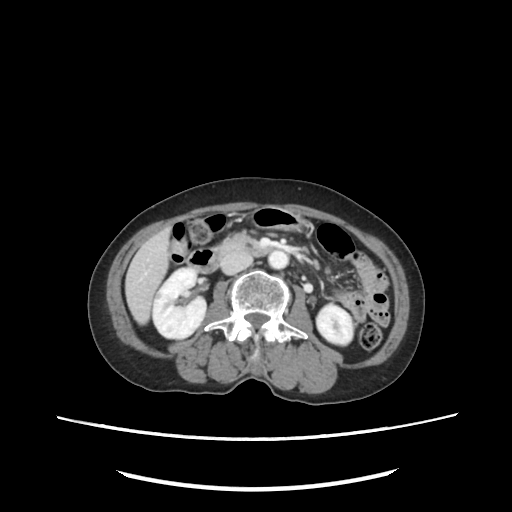
CT abdomen — axial view — abdomen soft-tissue window — scan has 15 labeled organs (that count is for the whole scan; organs this slice misses have no box)
Boxes are (x1, y1, x2, y2) in pixels. The annotated organs in this slice are: inferior vena cava at (220, 250, 252, 274), duodenum at (186, 247, 275, 272), right kidney at (153, 269, 206, 339), stomach at (253, 208, 307, 231), aorta at (268, 250, 288, 268), liver at (124, 227, 169, 325), pancreas at (216, 232, 256, 258), left kidney at (316, 304, 353, 345).